CT abdomen. Axial slice 19/89. 15 organs annotated in this scan (that count is for the whole scan; organs this slice misses have no box)
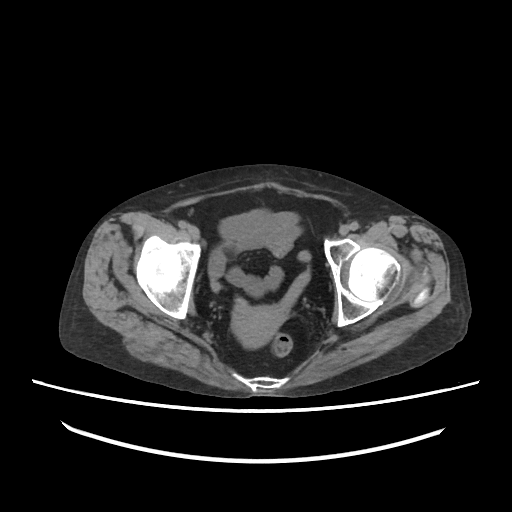

Organ boxes in pixel coordinates; each row gives the top-left (x1, y1) and bottom-right (x2, y2) corners.
| organ | x1 | y1 | x2 | y2 |
|---|---|---|---|---|
| prostate/uterus | 231 | 305 | 285 | 348 |